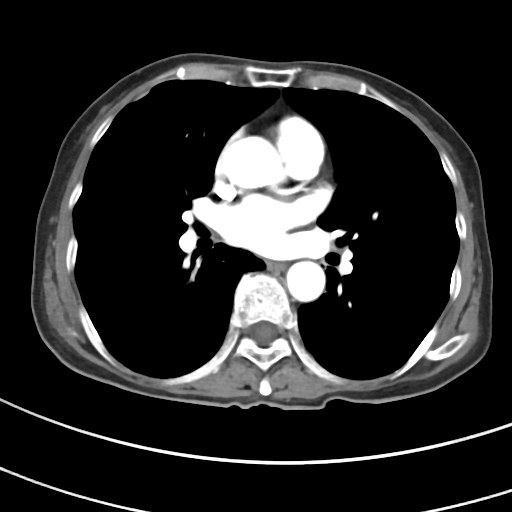 Abdominal CT reaching into the chest; this slice is in the chest; axial view
On a slice this high in the chest, this dataset labels only the esophagus and the aorta, and each is boxed only where it is labeled; the heart, lungs and other chest structures are not labeled.
Boxes: x1 y1 x2 y2 (pixel coords, space-separated).
Organ bounding boxes:
- esophagus: 268 261 285 269
- aorta: 223 136 284 188
- aorta: 286 261 325 301